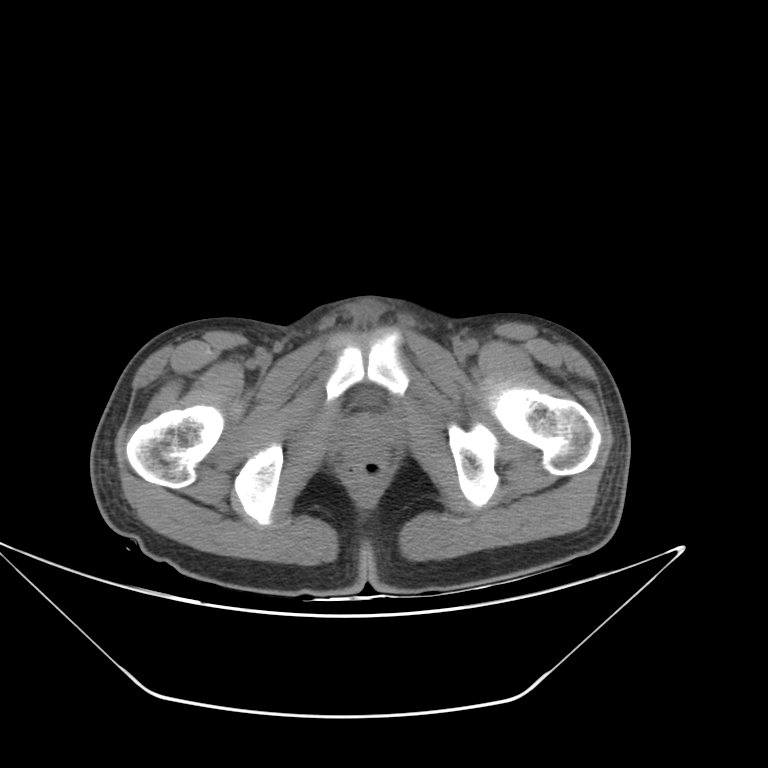 Computed tomography, abdomen. axial plane, index 11
{"organs":{"prostate/uterus":[340,417,389,459]}}